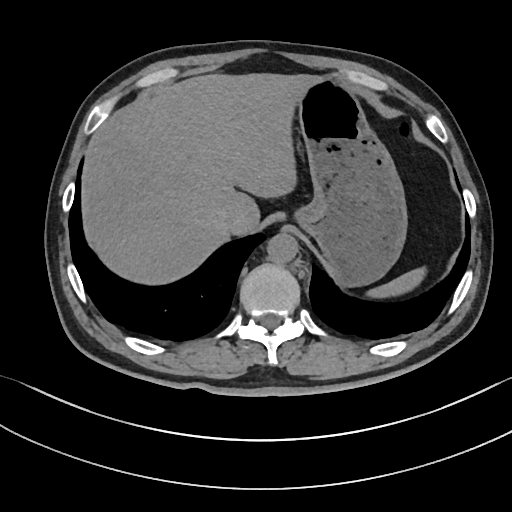 CT abdomen; axial plane, index 193; 512x512 px; 15 organs annotated in this scan (that count is for the whole scan; organs this slice misses have no box)
Boxes: x1 y1 x2 y2 (pixel coords, space-separated).
Organ bounding boxes:
- spleen: 368 269 424 297
- liver: 81 73 317 285
- stomach: 297 81 407 285
- aorta: 266 233 297 264
- inferior vena cava: 220 207 243 232